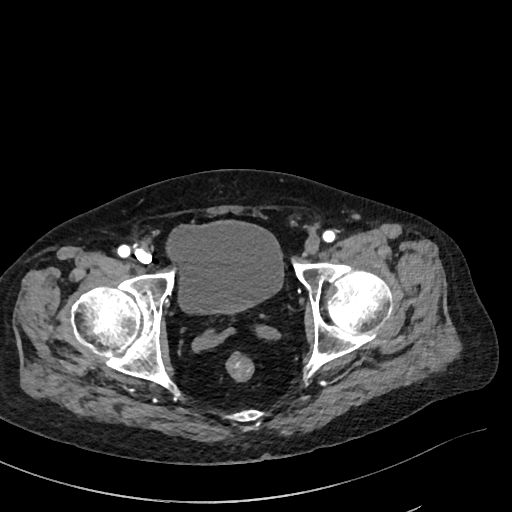
CT, abdomen/pelvis · axial plane, index 38 · abdomen soft-tissue window · 512x512 px · 15 organs annotated in this scan (a whole-scan count: organs this slice does not pass through have no box)
One row per box, in pixels: columns x1 and y1 give the top-left corner, x2 and y2 the bottom-right.
| organ | x1 | y1 | x2 | y2 |
|---|---|---|---|---|
| bladder | 166 | 220 | 283 | 313 |